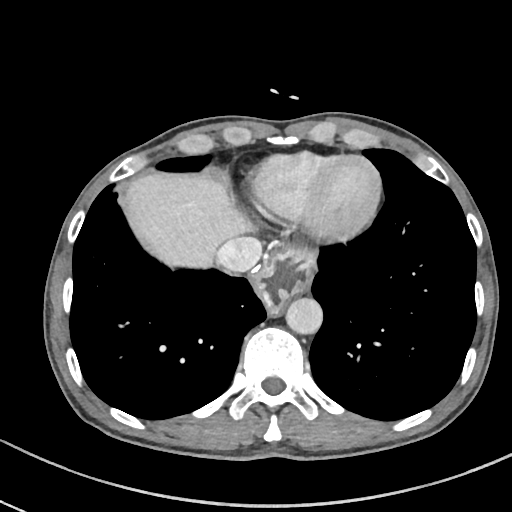
Computed tomography, abdomen — axial view — acquired on SOMATOM Force
Coordinates as <box>x1,y1,x2,y2</box> in pixels. 5 labeled organs on this slice — esophagus at <box>256,246,313,314</box>; liver at <box>127,173,252,266</box>; stomach at <box>311,262,314,285</box>; aorta at <box>286,297,322,333</box>; inferior vena cava at <box>212,235,262,273</box>.